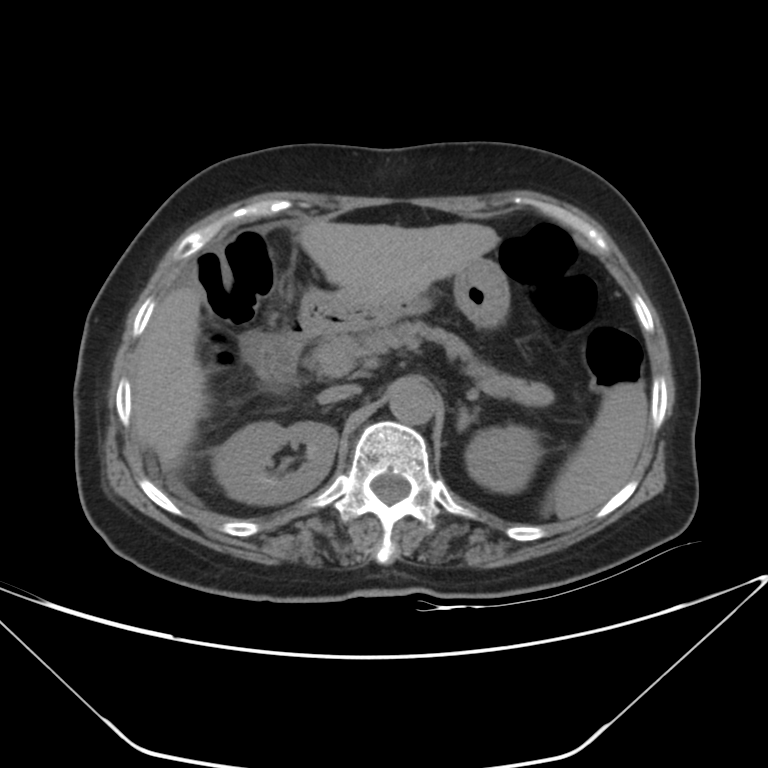
CT, abdomen/pelvis · axial view · 66-year-old female patient · acquired on Brilliance16 · 14 organs annotated in this scan (a whole-scan count: organs this slice does not pass through have no box)
{"organs":{"spleen":[551,383,647,519],"right kidney":[213,421,337,504],"left kidney":[465,426,543,493],"liver":[133,220,499,471],"stomach":[301,257,509,329],"aorta":[389,378,436,425],"inferior vena cava":[317,384,360,404],"pancreas":[310,317,553,406],"left adrenal gland":[457,406,478,431],"duodenum":[259,311,337,389]}}